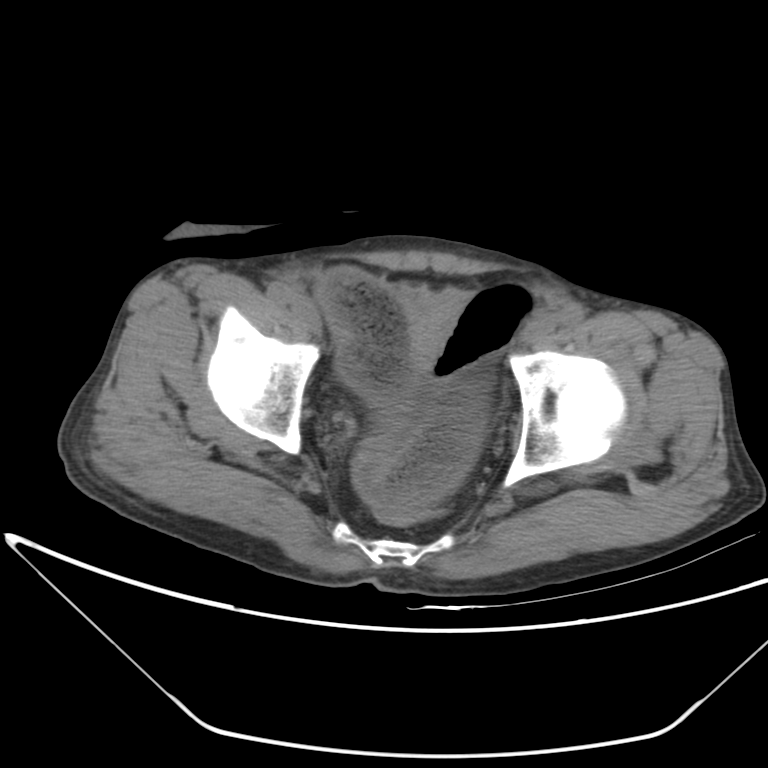 Abdominal CT. axial view
Each box given as x1,y1,x2,y2.
bladder: x1=410, y1=373, x2=487, y2=410